Computed tomography, abdomen — axial view — W/L 400/40 HU — 512x512 px
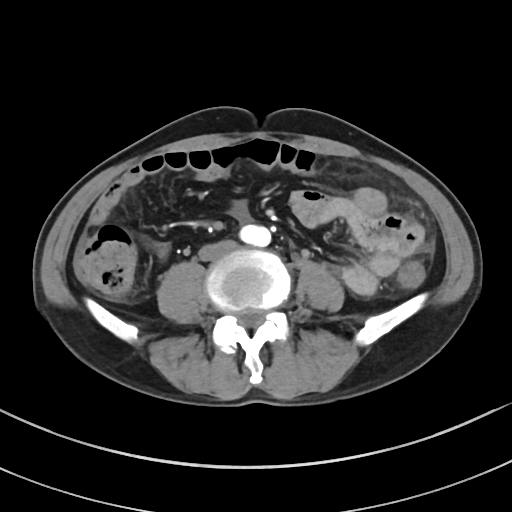
<organs><organ name="inferior vena cava" x1="199" y1="240" x2="236" y2="260"/></organs>